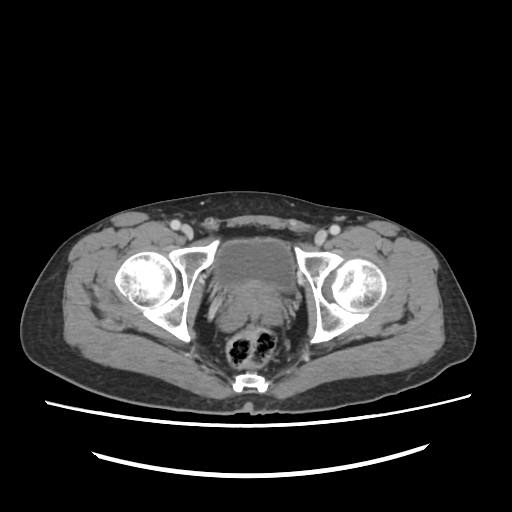
CT, abdomen/pelvis — axial plane, index 16 — soft-tissue window — 45-year-old male patient
Box edges are left/top/right/bottom in pixels. 2 labeled organs on this slice — prostate/uterus at left=230, top=280, right=279, bottom=315; bladder at left=216, top=238, right=294, bottom=288.